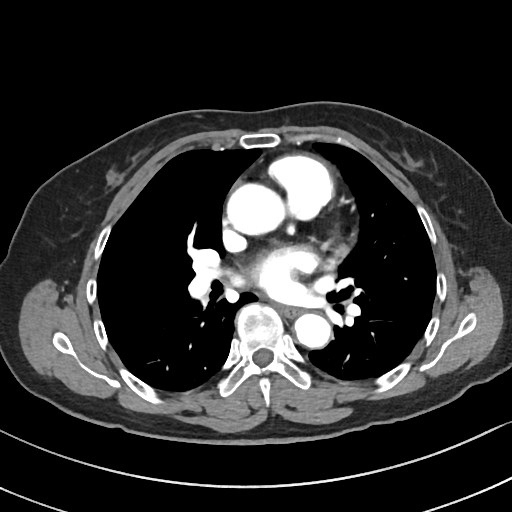

Abdominal CT; this slice is in the lower chest, just above the liver; axial view; scan has 15 labeled organs (counted over the whole 3D scan, not this slice; an organ is boxed only where this slice passes through it)
The heart and lungs are never labeled in this dataset, so they have no box on this slice.
Coordinates as <box>x1,y1,x2,y2</box> in pixels.
Organ bounding boxes:
- esophagus: <box>279,306,300,316</box>
- aorta: <box>227,183,285,235</box>
- aorta: <box>294,313,330,348</box>